CT, abdomen/pelvis. axial view. 512x512 px. 62-year-old male patient. Aquilion ONE scanner. scan has 15 labeled organs (a whole-scan count: organs this slice does not pass through have no box)
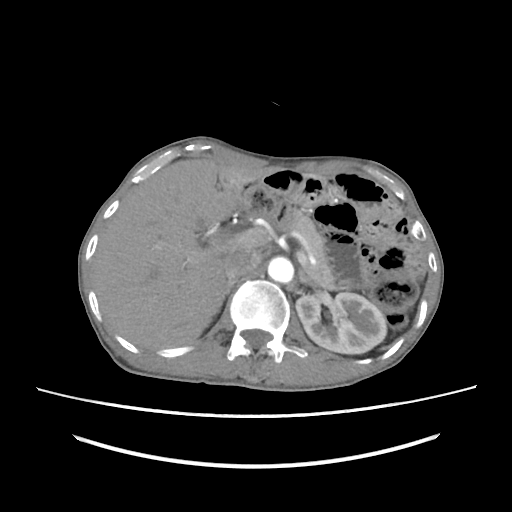 Coordinates as <box>x1,y1,x2,y2</box> in pixels.
Organ bounding boxes:
- pancreas: <box>284,209,340,290</box>
- left adrenal gland: <box>299,270,315,287</box>
- right adrenal gland: <box>213,281,234,316</box>
- left kidney: <box>296,292,386,353</box>
- duodenum: <box>211,210,254,243</box>
- liver: <box>91,156,276,349</box>
- inferior vena cava: <box>223,246,260,280</box>
- aorta: <box>267,256,293,283</box>